Abdominal MR; Coronal slice 88/144; 1st–99th percentile window; 260x320 px; 13 organs annotated in this scan (that count is for the whole scan; organs this slice misses have no box)
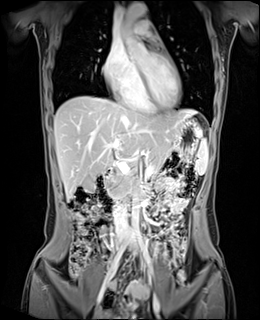

Coordinates as <box>x1,y1,x2,y2</box> in pixels. The annotated organs in this slice are: spleen at <box>196,139,208,174</box>, gall bladder at <box>81,177,94,191</box>, liver at <box>54,96,197,199</box>, stomach at <box>173,118,203,153</box>, aorta at <box>122,3,147,27</box>, aorta at <box>130,192,139,232</box>, aorta at <box>121,29,134,37</box>, inferior vena cava at <box>113,199,127,233</box>, pancreas at <box>105,147,180,195</box>, duodenum at <box>94,169,144,213</box>.